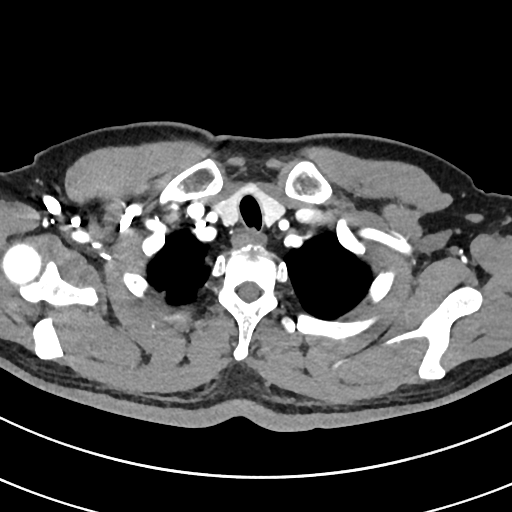
Abdominal CT reaching into the chest; this slice is in the chest · axial plane, index 288
At this level of the chest this dataset labels only the esophagus and the aorta, and each is boxed only where it is labeled; the heart and lungs are never labeled.
<organs><organ name="esophagus" x1="233" y1="228" x2="264" y2="247"/></organs>